CT of the abdomen reaching into the lower chest, slice just above the liver and spleen · Axial slice 221/245 · soft-tissue window, W/L 400/40 · scan has 15 labeled organs (a whole-scan count: organs this slice does not pass through have no box)
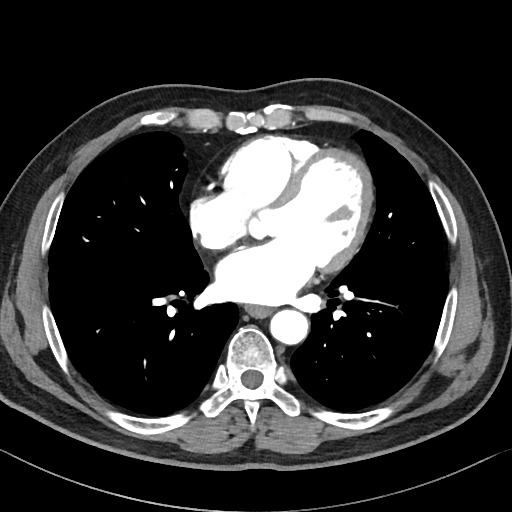
Of the structures in the chest, this dataset labels only the esophagus, the aorta and the inferior vena cava; the heart and lungs have no label.
Organ boxes in pixel coordinates; each row gives the top-left (x1, y1) and bottom-right (x2, y2) corners.
| organ | x1 | y1 | x2 | y2 |
|---|---|---|---|---|
| aorta | 270 | 309 | 308 | 344 |
| esophagus | 245 | 305 | 271 | 317 |